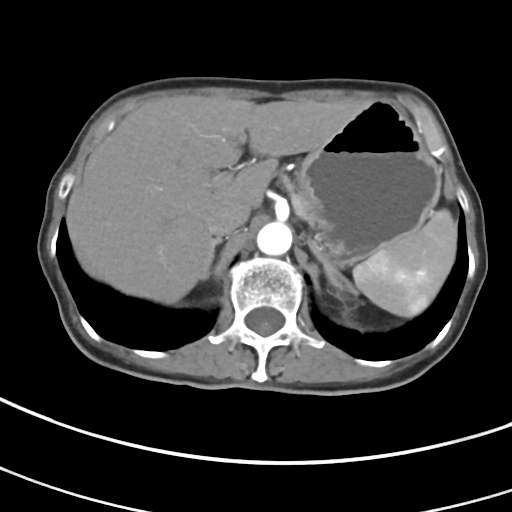

Abdominal CT; Axial slice 65/118
<organs><organ name="spleen" x1="353" y1="209" x2="457" y2="316"/><organ name="liver" x1="66" y1="95" x2="361" y2="303"/><organ name="stomach" x1="297" y1="101" x2="441" y2="265"/><organ name="aorta" x1="257" y1="222" x2="292" y2="255"/><organ name="inferior vena cava" x1="206" y1="199" x2="250" y2="237"/><organ name="pancreas" x1="283" y1="179" x2="312" y2="224"/><organ name="right adrenal gland" x1="199" y1="238" x2="221" y2="279"/><organ name="left adrenal gland" x1="308" y1="240" x2="359" y2="294"/></organs>